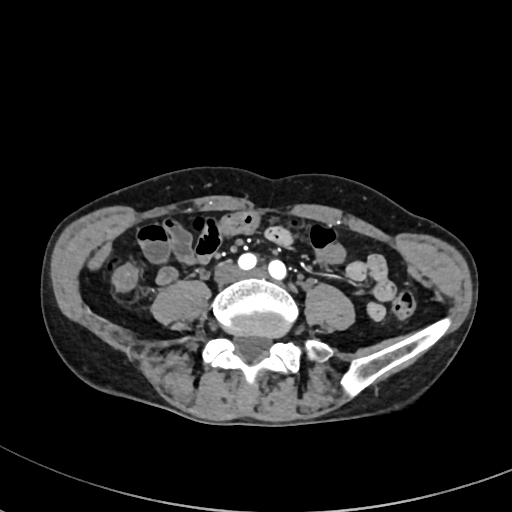

CT abdomen — axial view — 512x512 px — scan has 15 labeled organs (counted over the whole 3D scan, not this slice; an organ is boxed only where this slice passes through it)
Box edges are left/top/right/bottom in pixels. The annotated organs in this slice are: inferior vena cava at left=214, top=262, right=242, bottom=282.